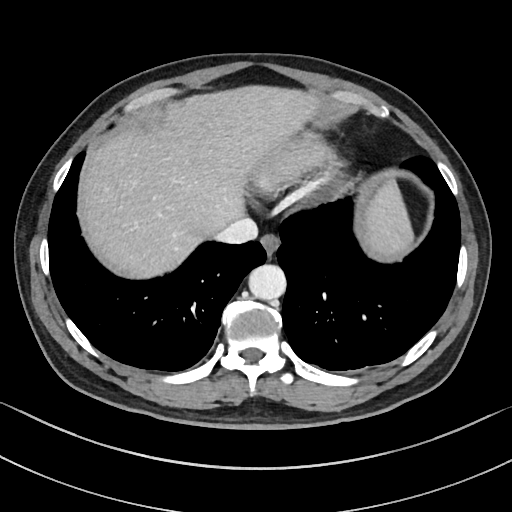 Computed tomography, abdomen · axial plane, index 203
Each box given as x1,y1,x2,y2.
inferior vena cava: x1=215, y1=218, x2=257, y2=244
aorta: x1=248, y1=264, x2=286, y2=300
esophagus: x1=260, y1=233, x2=279, y2=256
liver: x1=84, y1=85, x2=412, y2=276